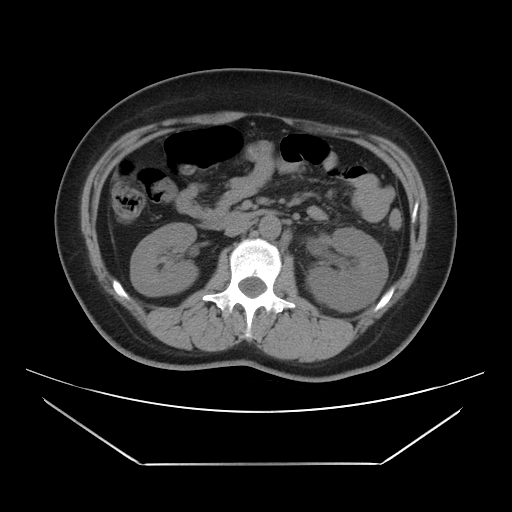

Computed tomography, abdomen; axial view; W/L 400/40 HU
{"organs":{"right kidney":[130,223,197,296],"left kidney":[306,227,388,311],"aorta":[259,215,280,238],"inferior vena cava":[225,222,251,236],"duodenum":[200,209,275,229]}}